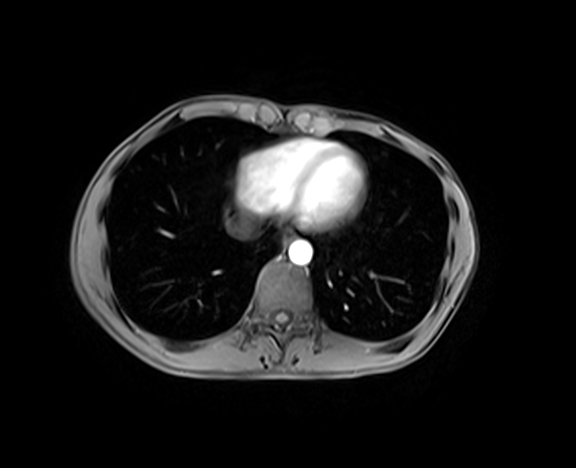 MRI of the abdomen reaching into the lower chest, slice just above the liver and spleen; Axial slice 71/72; 1st–99th percentile window; 576x468 px
The heart and lungs are never labeled in this dataset, so they have no box on this slice. Bounding boxes as [x1, y1, x2, y2] in pixel coordinates. 3 labeled organs on this slice — esophagus at [282, 230, 293, 243]; aorta at [288, 240, 312, 264]; inferior vena cava at [226, 214, 260, 237].